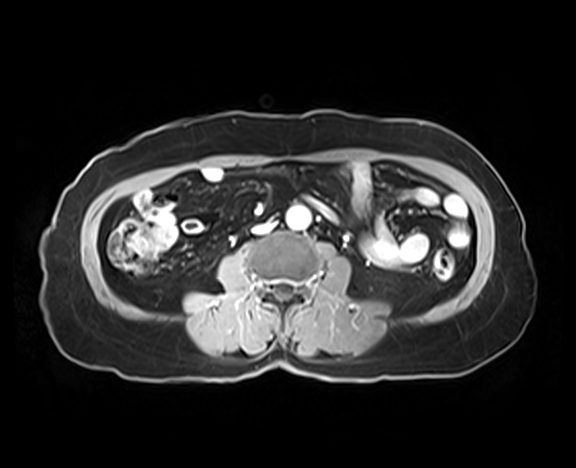
Abdominal MR · axial plane, index 0 · 1st–99th percentile window · 13 organs annotated in this scan (that count is for the whole scan; organs this slice misses have no box)
{"organs":{"aorta":[286,205,310,229],"inferior vena cava":[253,223,272,234]}}